Abdominal MR — axial view — 1st–99th percentile window
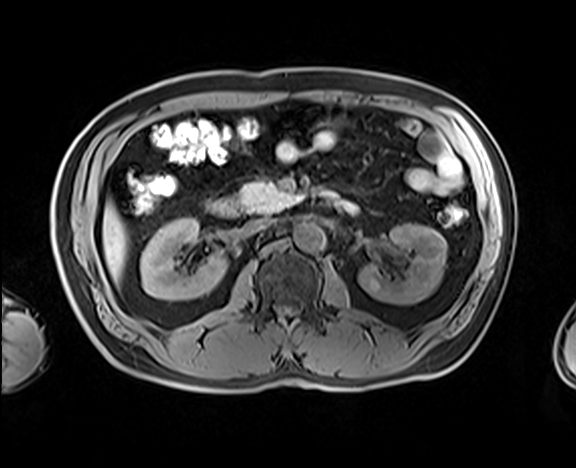 Coordinates as <box>x1,y1,x2,y2</box> in pixels.
Organ bounding boxes:
- liver: <box>102,203,126,281</box>
- aorta: <box>294,222,325,251</box>
- inferior vena cava: <box>245,218,275,233</box>
- right kidney: <box>140,218,226,300</box>
- left kidney: <box>358,223,447,304</box>
- duodenum: <box>207,198,242,217</box>
- pancreas: <box>238,181,296,213</box>